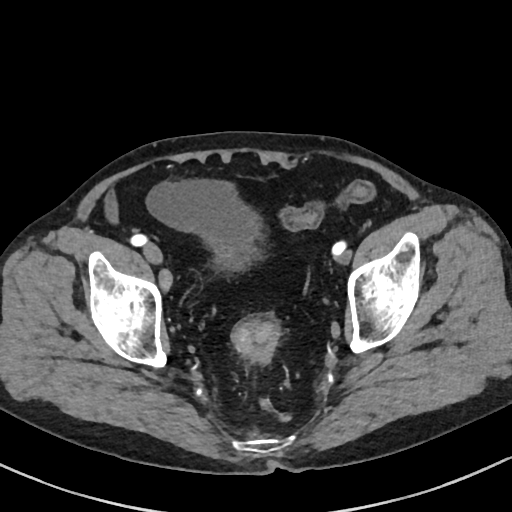
CT, abdomen/pelvis · axial view · acquired on SOMATOM Force
<organs><organ name="bladder" x1="146" y1="179" x2="258" y2="269"/></organs>